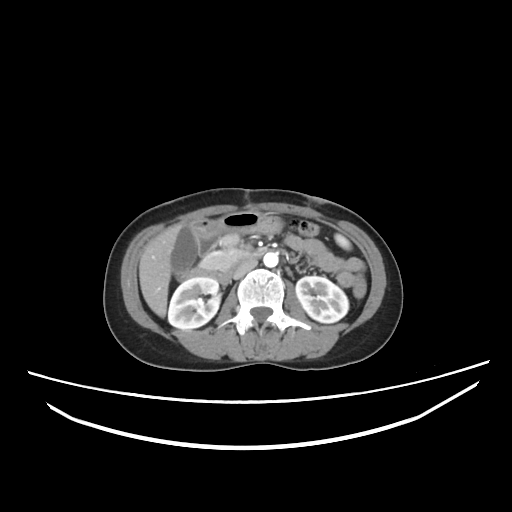

CT abdomen; Axial slice 46/114; acquired on Aquilion ONE
Boxes: x1:y1:x2:y2 in pixels.
spleen: 335:234:350:249
duodenum: 176:235:263:284
right kidney: 168:277:220:329
stomach: 188:211:283:238
liver: 139:225:183:317
left kidney: 296:276:348:323
aorta: 263:252:278:267
gall bladder: 171:225:198:271
pancreas: 200:234:246:269
inferior vena cava: 232:259:257:278